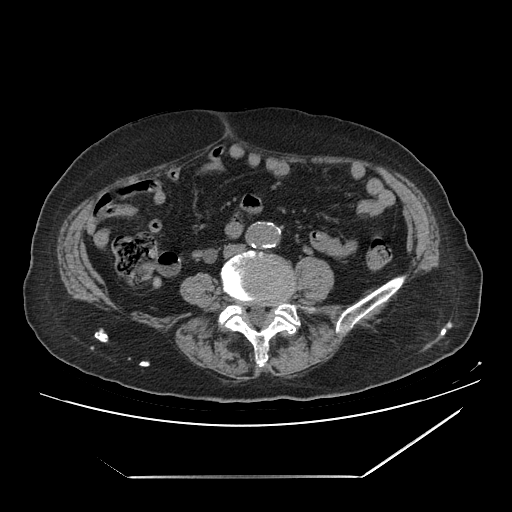 Abdominal CT; axial view; W/L 400/40 HU; 15 organs annotated in this scan (counted over the whole 3D scan, not this slice; an organ is boxed only where this slice passes through it)
{"organs":{"aorta":[246,222,279,247],"inferior vena cava":[224,245,243,255]}}